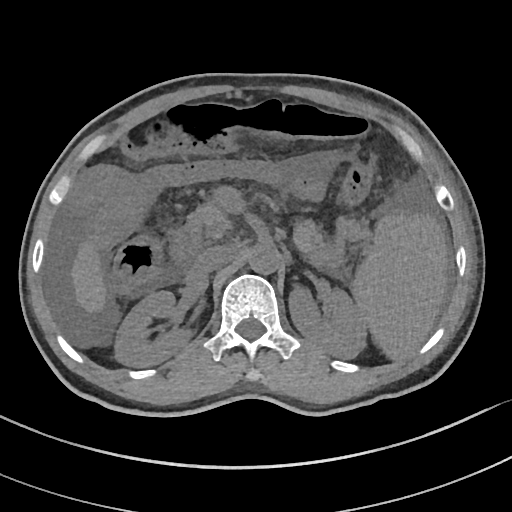

CT abdomen; axial view; 512x512 px
Coordinates as <box>x1,y1,x2,y2</box> in pixels.
pancreas: <box>187,199,325,252</box>
aorta: <box>248,243,279,274</box>
spleen: <box>351,210,447,359</box>
left kidney: <box>288,285,368,359</box>
liver: <box>71,240,106,313</box>
inferior vena cava: <box>194,245,236,273</box>
right kidney: <box>115,291,192,367</box>
duodenum: <box>169,218,203,264</box>